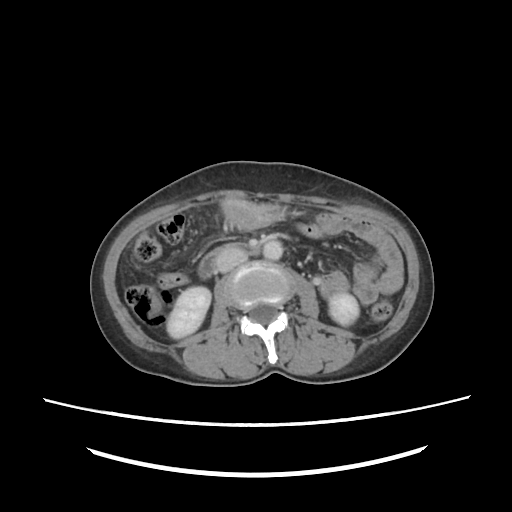

CT abdomen · Axial slice 58/92 · abdomen soft-tissue window · Aquilion ONE scanner
Box edges are left/top/right/bottom in pixels.
duodenum: left=199, top=242, right=262, bottom=278
aorta: left=262, top=240, right=282, bottom=260
right kidney: left=168, top=286, right=210, bottom=337
inferior vena cava: left=216, top=250, right=248, bottom=272
stomach: left=222, top=199, right=282, bottom=229
left kidney: left=329, top=292, right=359, bottom=326